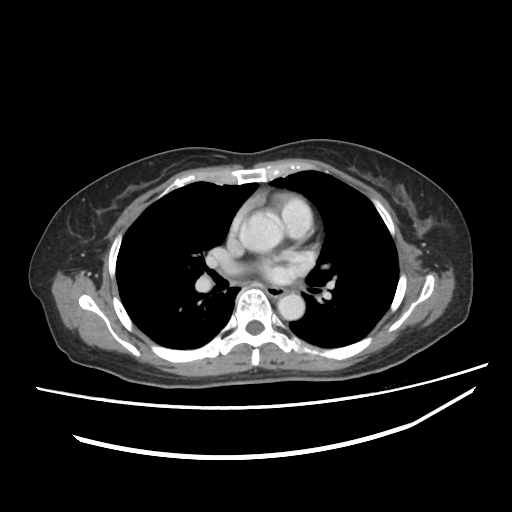 Chest-level slice from an abdominal CT that extends up into the chest · axial view · 54-year-old female patient
At this level of the chest no structure but the esophagus and the aorta has a label in this dataset, and those two are boxed only where they are labeled. Boxes are (x1, y1, x2, y2) in pixels. Labeled organs on this slice: aorta at (239, 212, 283, 252), aorta at (277, 293, 304, 320), esophagus at (265, 286, 284, 296).